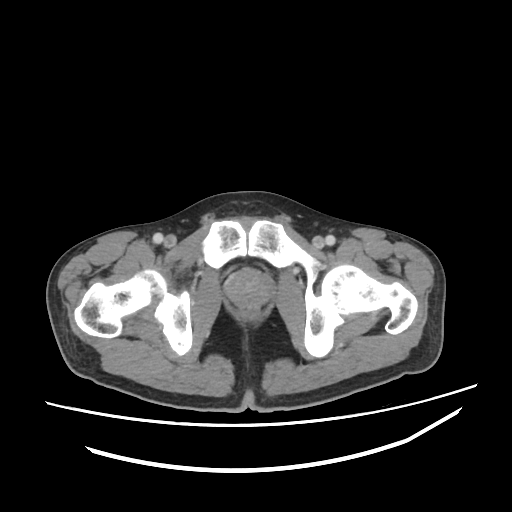

Computed tomography, abdomen. axial view. abdomen soft-tissue window. 512x512 px. 49-year-old male patient. scan has 15 labeled organs (that count is for the whole scan; organs this slice misses have no box)
Bounding boxes in pixels, one row per box: x1, y1 is the top-left corner and x2, y2 the bottom-right.
| organ | x1 | y1 | x2 | y2 |
|---|---|---|---|---|
| prostate/uterus | 226 | 270 | 271 | 306 |